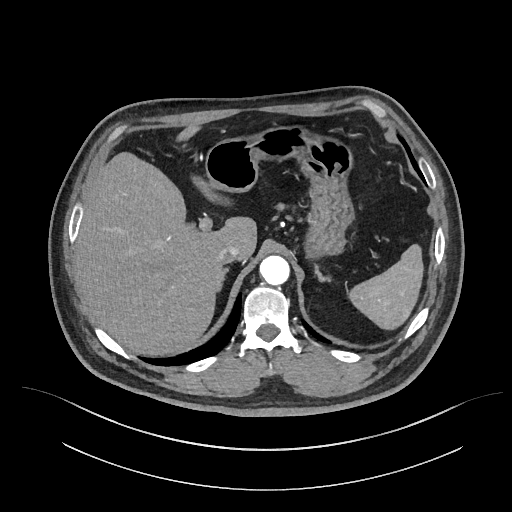

CT, abdomen/pelvis. axial view. 512x512 px. SOMATOM Force scanner
<organs><organ name="right adrenal gland" x1="217" y1="268" x2="228" y2="291"/><organ name="inferior vena cava" x1="217" y1="245" x2="239" y2="264"/><organ name="liver" x1="75" y1="124" x2="257" y2="354"/><organ name="spleen" x1="346" y1="245" x2="422" y2="328"/><organ name="left adrenal gland" x1="316" y1="272" x2="321" y2="278"/><organ name="aorta" x1="260" y1="255" x2="289" y2="285"/><organ name="stomach" x1="205" y1="124" x2="355" y2="258"/></organs>